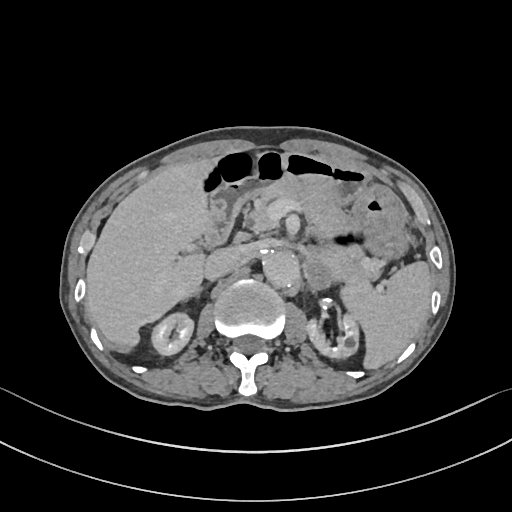
Computed tomography, abdomen — axial view — abdomen soft-tissue window
<organs><organ name="spleen" x1="341" y1="261" x2="432" y2="369"/><organ name="right kidney" x1="151" y1="313" x2="193" y2="355"/><organ name="left kidney" x1="306" y1="314" x2="358" y2="358"/><organ name="liver" x1="86" y1="159" x2="215" y2="347"/><organ name="stomach" x1="211" y1="151" x2="409" y2="259"/><organ name="aorta" x1="262" y1="250" x2="299" y2="287"/><organ name="inferior vena cava" x1="203" y1="248" x2="237" y2="280"/><organ name="pancreas" x1="248" y1="184" x2="380" y2="283"/><organ name="left adrenal gland" x1="306" y1="262" x2="331" y2="289"/><organ name="duodenum" x1="203" y1="200" x2="235" y2="246"/></organs>